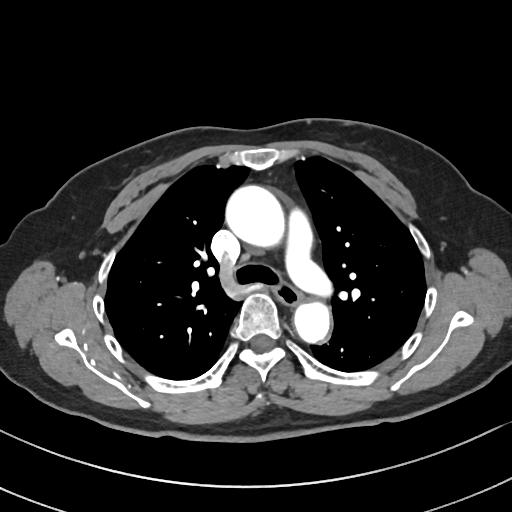
Chest-level CT slice, above the liver and spleen; axial plane, index 247; soft-tissue window (W 400 / L 40); 512x512 px; SOMATOM Force scanner
At this level of the chest this dataset labels only the esophagus and the aorta, and each is boxed only where it is labeled; the heart and lungs are never labeled.
Bounding boxes in pixels, one row per box: x1, y1 is the top-left corner and x2, y2 the bottom-right.
| organ | x1 | y1 | x2 | y2 |
|---|---|---|---|---|
| aorta | 225 | 185 | 284 | 247 |
| aorta | 294 | 300 | 332 | 344 |
| esophagus | 276 | 284 | 301 | 305 |